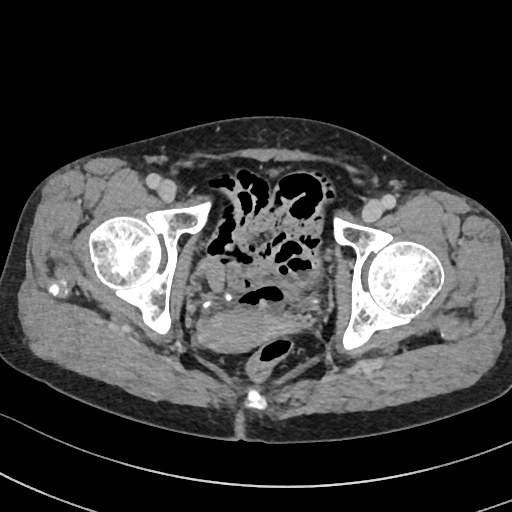 Computed tomography, abdomen — axial view — soft-tissue window — acquired on SOMATOM Force
{"organs":{"prostate/uterus":[198,308,292,352],"bladder":[226,291,235,299]}}